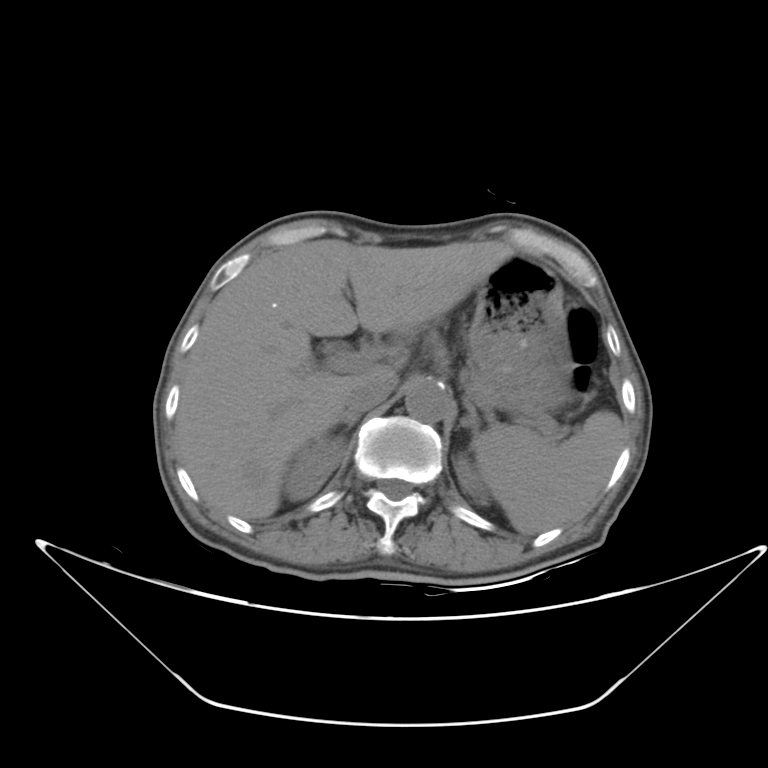 CT, abdomen/pelvis. Axial slice 72/90. abdomen soft-tissue window
<organs><organ name="inferior vena cava" x1="344" y1="383" x2="391" y2="413"/><organ name="right kidney" x1="286" y1="436" x2="348" y2="500"/><organ name="stomach" x1="468" y1="253" x2="567" y2="418"/><organ name="right adrenal gland" x1="338" y1="414" x2="361" y2="435"/><organ name="spleen" x1="475" y1="412" x2="624" y2="534"/><organ name="left adrenal gland" x1="453" y1="396" x2="478" y2="454"/><organ name="left kidney" x1="452" y1="457" x2="493" y2="506"/><organ name="liver" x1="175" y1="238" x2="514" y2="518"/><organ name="aorta" x1="403" y1="377" x2="449" y2="421"/></organs>